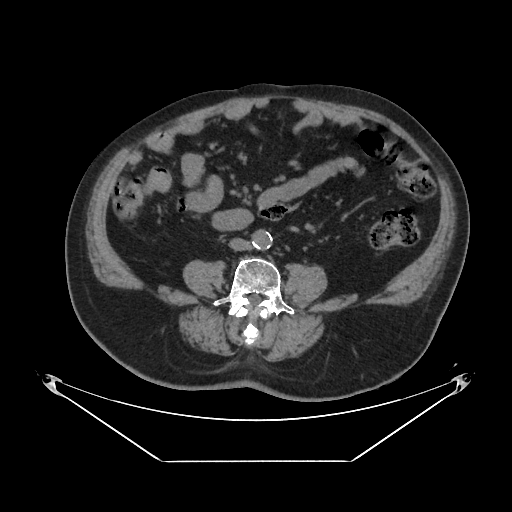 CT abdomen; Axial slice 161/353; scan has 15 labeled organs (counted over the whole 3D scan, not this slice; an organ is boxed only where this slice passes through it)
Bounding boxes in pixels, one row per box: x1, y1 is the top-left corner and x2, y2 the bottom-right.
| organ | x1 | y1 | x2 | y2 |
|---|---|---|---|---|
| aorta | 253 | 230 | 273 | 249 |
| inferior vena cava | 229 | 238 | 249 | 250 |